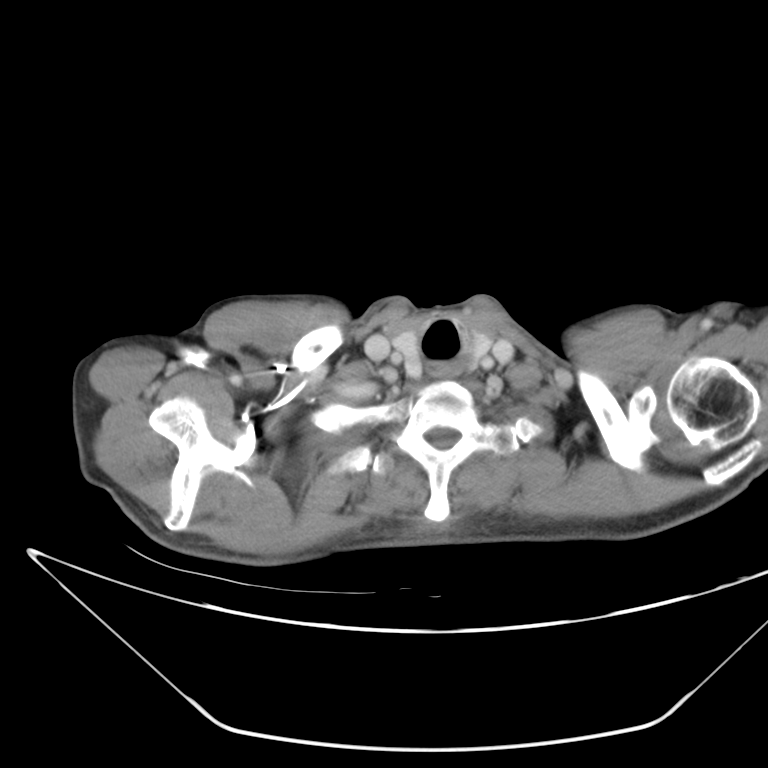 Chest-level CT slice, above the liver and spleen · Axial slice 102/104 · soft-tissue window (W 400 / L 40) · 13 organs annotated in this scan (counted over the whole 3D scan, not this slice; an organ is boxed only where this slice passes through it)
At this level of the chest this dataset labels only the esophagus and the aorta, and each is boxed only where it is labeled; the heart and lungs are never labeled.
Each box given as x1,y1,x2,y2.
esophagus: x1=424, y1=361, x2=454, y2=377